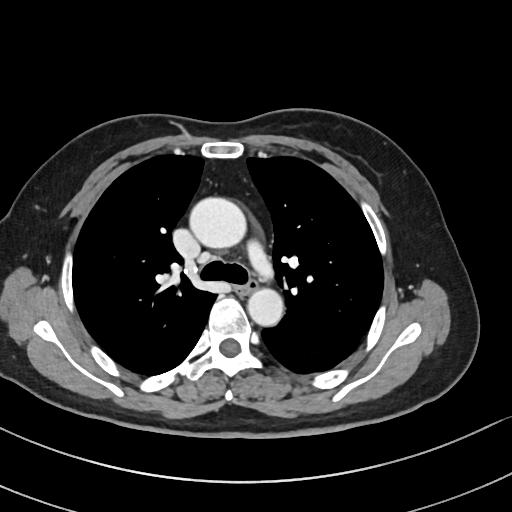 Abdominal CT reaching into the chest; this slice is in the chest. Axial slice 268/314. soft-tissue window, W/L 400/40. 512x512 px
On a slice this high in the chest, this dataset labels only the esophagus and the aorta, and each is boxed only where it is labeled; the heart, lungs and other chest structures are not labeled.
Bounding boxes in pixels, one row per box: x1, y1 is the top-left corner and x2, y2 the bottom-right.
| organ | x1 | y1 | x2 | y2 |
|---|---|---|---|---|
| esophagus | 236 | 279 | 256 | 294 |
| aorta | 189 | 197 | 246 | 248 |
| aorta | 247 | 288 | 283 | 326 |